Chest-level CT slice, above the liver and spleen. axial view. 512x512 px
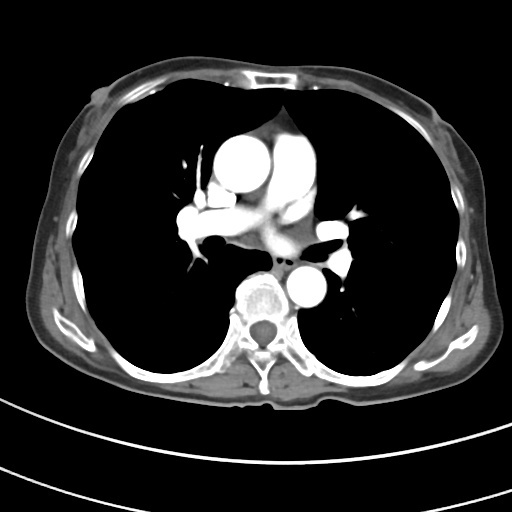 At this level of the chest this dataset labels only the esophagus and the aorta, and each is boxed only where it is labeled; the heart and lungs are never labeled.
Boxes: x1 y1 x2 y2 (pixel coords, space-separated).
Organ bounding boxes:
- esophagus: 273 259 294 270
- aorta: 213 134 270 193
- aorta: 286 266 326 307